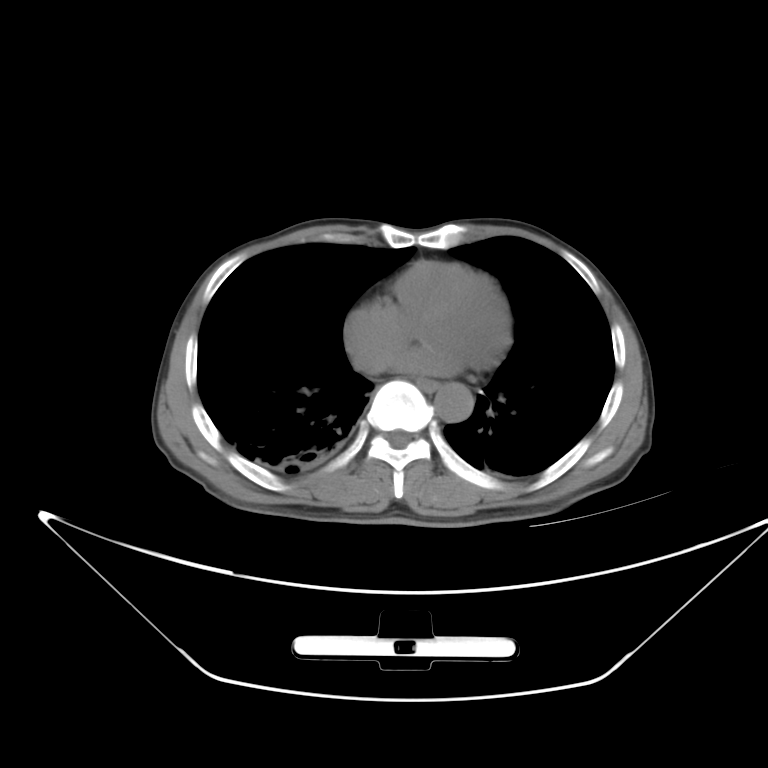 Lower-chest slice from an abdominal CT, just above the liver and spleen. axial view. soft-tissue window
No part of the heart or lungs is labeled in this dataset, so neither has a box here.
Organ boxes in pixel coordinates; each row gives the top-left (x1, y1) and bottom-right (x2, y2) corners.
| organ | x1 | y1 | x2 | y2 |
|---|---|---|---|---|
| esophagus | 416 | 379 | 438 | 390 |
| aorta | 431 | 382 | 473 | 422 |